CT abdomen — axial plane, index 148 — W/L 400/40 HU — acquired on SOMATOM Force
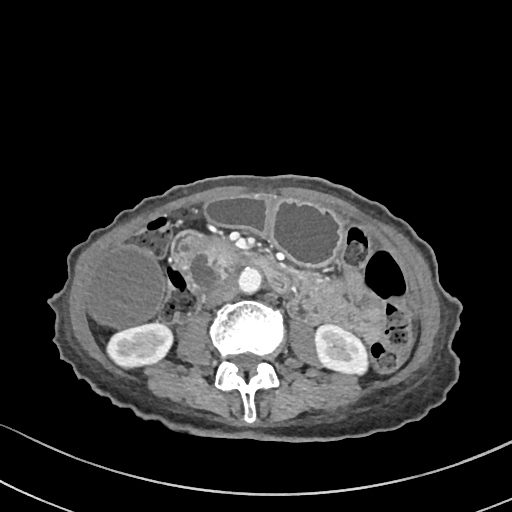

Organ boxes in pixel coordinates; each row gives the top-left (x1, y1) and bottom-right (x2, y2) corners.
| organ | x1 | y1 | x2 | y2 |
|---|---|---|---|---|
| right kidney | 105 | 322 | 173 | 370 |
| left kidney | 314 | 324 | 370 | 377 |
| gall bladder | 85 | 247 | 165 | 326 |
| stomach | 205 | 195 | 343 | 266 |
| aorta | 237 | 269 | 260 | 294 |
| inferior vena cava | 206 | 280 | 238 | 306 |
| pancreas | 180 | 234 | 240 | 270 |
| duodenum | 170 | 230 | 293 | 292 |